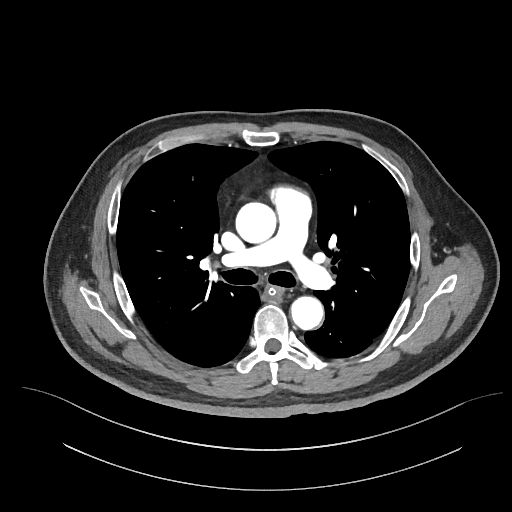
Chest-level CT slice, above the liver and spleen — Axial slice 268/333
At this level of the chest no structure but the esophagus and the aorta has a label in this dataset, and those two are boxed only where they are labeled.
Box edges are left/top/right/bottom in pixels.
Organ bounding boxes:
- esophagus: left=265, top=286, right=283, bottom=298
- aorta: left=236, top=202, right=276, bottom=242
- aorta: left=291, top=296, right=323, bottom=329